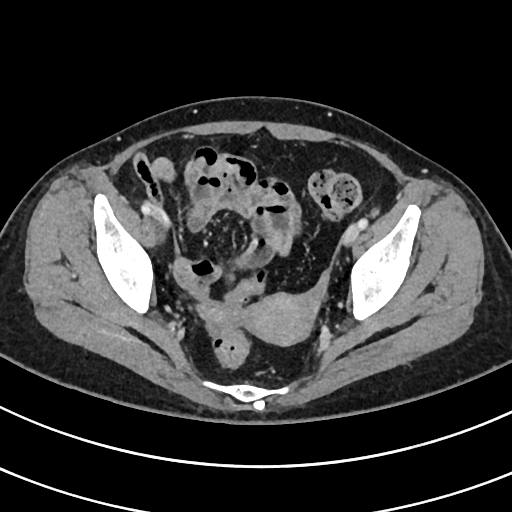
CT, abdomen/pelvis. axial view. 512x512 px
Boxes: x1:y1:x2:y2 in pixels. Labeled organs on this slice: prostate/uterus at 241:293:316:345.